CT, abdomen/pelvis · axial view · W/L 400/40 HU · 50-year-old female patient · Aquilion ONE scanner · 15 organs annotated in this scan (that count is for the whole scan; organs this slice misses have no box)
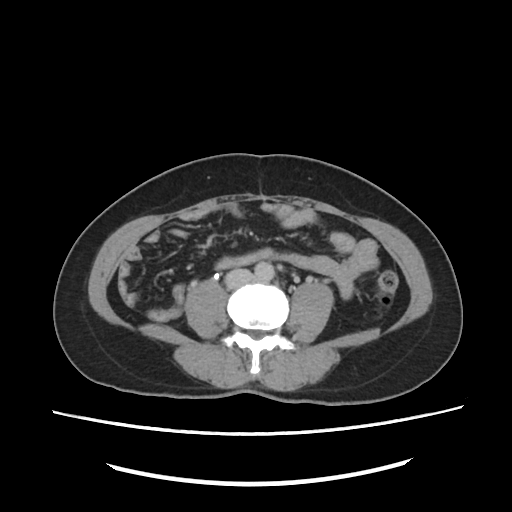 Organ boxes in pixel coordinates; each row gives the top-left (x1, y1) and bottom-right (x2, y2) corners.
| organ | x1 | y1 | x2 | y2 |
|---|---|---|---|---|
| aorta | 254 | 261 | 274 | 281 |
| inferior vena cava | 226 | 269 | 255 | 287 |